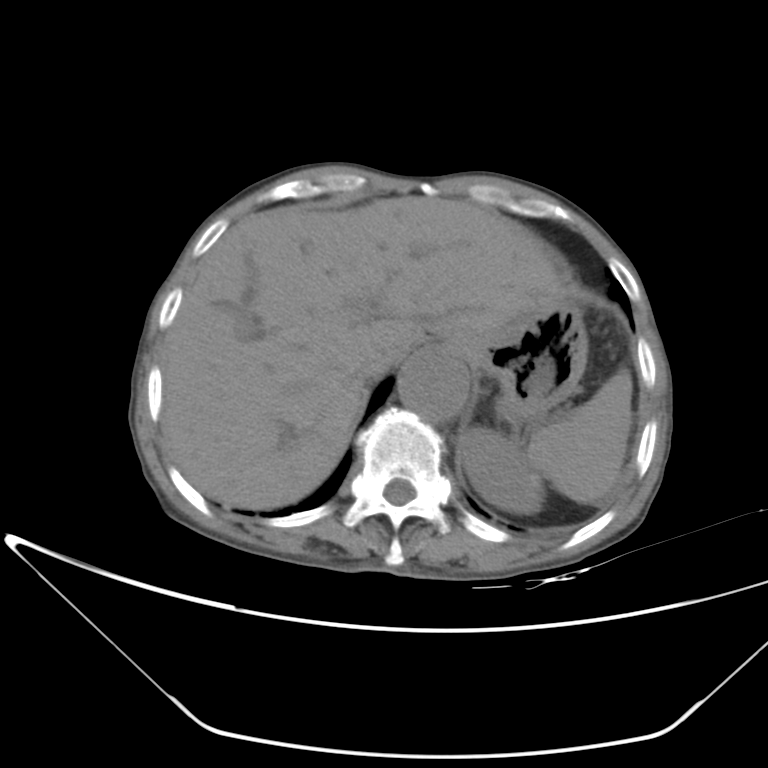 CT abdomen · axial view · 768x768 px · 66-year-old male patient · Brilliance16 scanner
{"organs":{"liver":[162,196,562,509],"stomach":[437,299,588,423],"left kidney":[458,427,545,514],"aorta":[398,352,470,421],"inferior vena cava":[354,360,395,382],"spleen":[526,367,632,504]}}